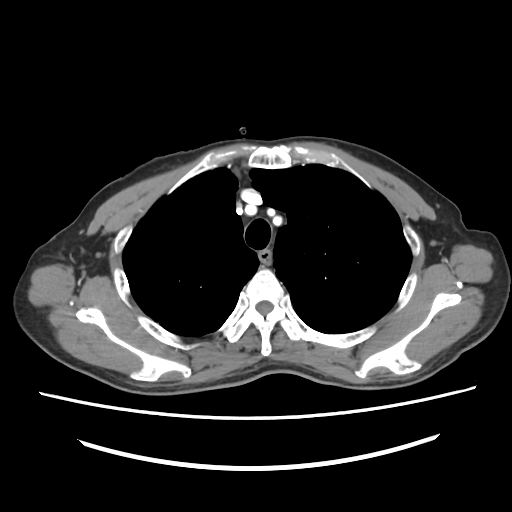
Abdominal CT reaching into the chest; this slice is in the chest. Axial slice 118/134. W/L 400/40 HU
At this level of the chest no structure but the esophagus and the aorta has a label in this dataset, and those two are boxed only where they are labeled.
<organs><organ name="esophagus" x1="258" y1="249" x2="270" y2="261"/></organs>